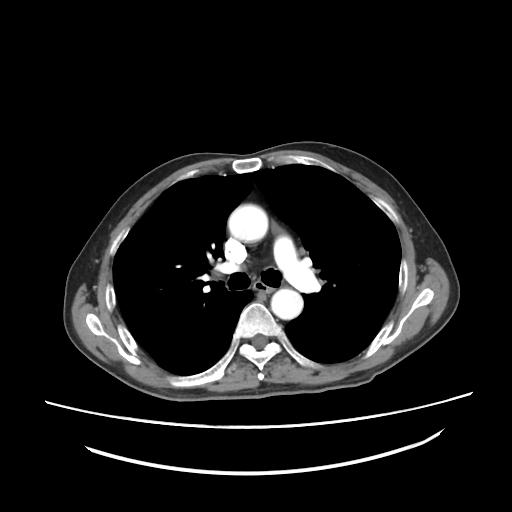 CT of the abdomen extending into the chest, slice through the chest — axial view
On a slice this high in the chest, this dataset labels only the esophagus and the aorta, and each is boxed only where it is labeled; the heart, lungs and other chest structures are not labeled.
Bounding boxes in pixels, one row per box: x1, y1 is the top-left corner and x2, y2 the bottom-right.
| organ | x1 | y1 | x2 | y2 |
|---|---|---|---|---|
| esophagus | 253 | 280 | 271 | 294 |
| aorta | 228 | 204 | 268 | 242 |
| aorta | 271 | 288 | 303 | 319 |